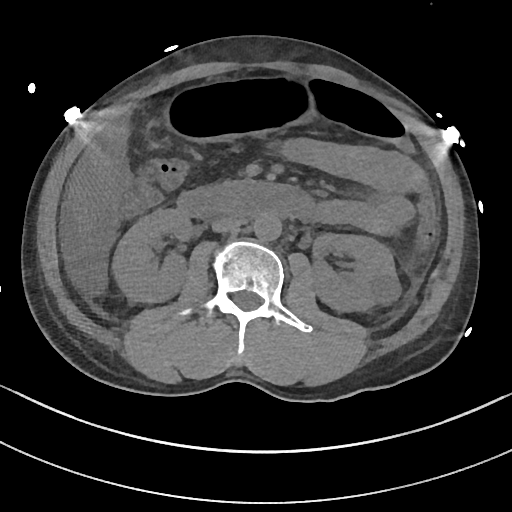 Computed tomography, abdomen. axial plane, index 147. scan has 15 labeled organs (a whole-scan count: organs this slice does not pass through have no box)
{"organs":{"right kidney":[112,210,191,303],"left kidney":[311,234,400,313],"liver":[70,121,130,236],"stomach":[159,78,316,144],"aorta":[254,213,281,241],"inferior vena cava":[211,216,242,232],"duodenum":[175,180,309,219]}}